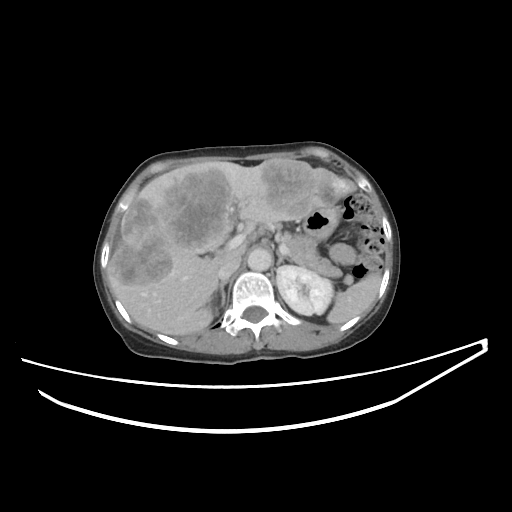

Abdominal CT; axial view; soft-tissue window; 512x512 px; scan has 15 labeled organs (that count is for the whole scan; organs this slice misses have no box)
{"organs":{"spleen":[327,273,380,324],"left kidney":[276,265,333,315],"liver":[108,158,354,335],"stomach":[295,206,337,240],"aorta":[247,248,271,271],"inferior vena cava":[217,256,240,279],"pancreas":[281,233,342,277],"right adrenal gland":[216,279,228,313],"left adrenal gland":[276,252,291,266]}}